Chest-level slice from an abdominal CT that extends up into the chest; Axial slice 224/298; soft-tissue window, W/L 400/40; 512x512 px
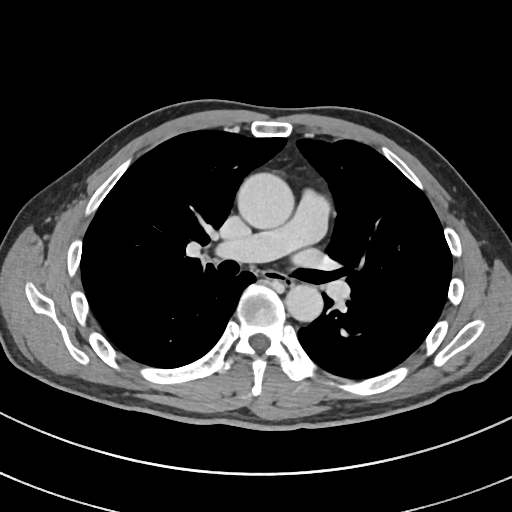

On a slice this high in the chest, this dataset labels only the esophagus and the aorta, and each is boxed only where it is labeled; the heart, lungs and other chest structures are not labeled.
{"organs":{"esophagus":[265,271,293,285],"aorta":[[236,172,293,229],[284,284,323,321]]}}